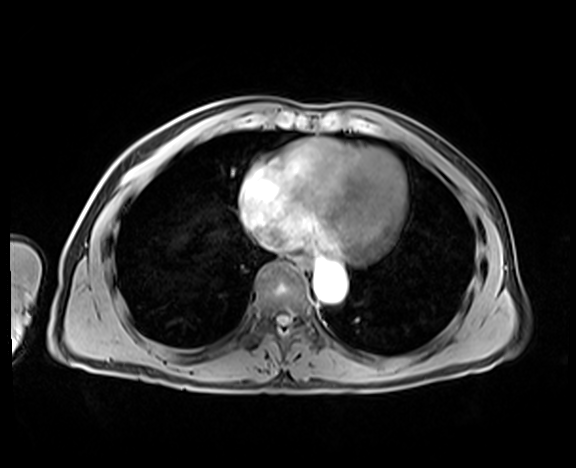
Lower-chest slice from an abdominal MRI, just above the liver and spleen — axial plane, index 64 — acquired on Prisma
Of the structures in the chest, this dataset labels only the esophagus, the aorta and the inferior vena cava; the heart and lungs have no label.
Bounding boxes in pixels, one row per box: x1, y1 is the top-left corner and x2, y2 the bottom-right.
| organ | x1 | y1 | x2 | y2 |
|---|---|---|---|---|
| esophagus | 293 | 255 | 311 | 270 |
| aorta | 314 | 263 | 346 | 301 |
| inferior vena cava | 258 | 232 | 284 | 250 |